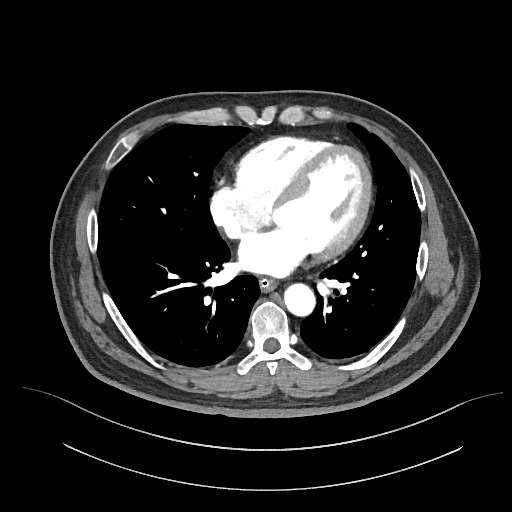 Abdominal CT; this slice is in the lower chest, just above the liver. axial view. soft-tissue window, W/L 400/40. 512x512 px
The heart and lungs are never labeled in this dataset, so they have no box on this slice.
Bounding boxes in pixels, one row per box: x1, y1 is the top-left corner and x2, y2 the bottom-right.
| organ | x1 | y1 | x2 | y2 |
|---|---|---|---|---|
| esophagus | 259 | 279 | 276 | 292 |
| aorta | 284 | 283 | 315 | 316 |